Abdominal CT reaching into the chest; this slice is in the chest — axial view — 512x512 px — 40-year-old male patient
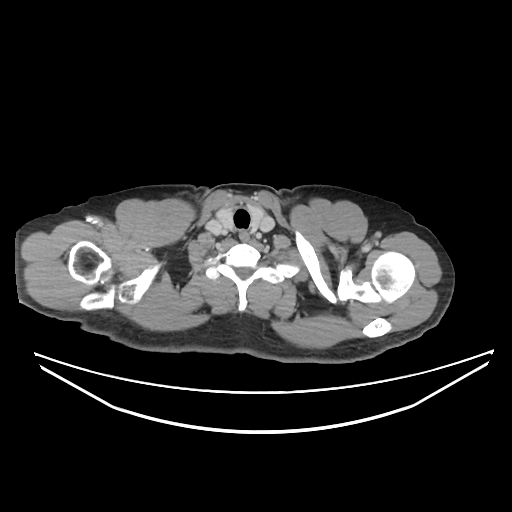
On a slice this high in the chest, this dataset labels only the esophagus and the aorta, and each is boxed only where it is labeled; the heart, lungs and other chest structures are not labeled.
Bounding boxes in pixels, one row per box: x1, y1 is the top-left corner and x2, y2 the bottom-right.
| organ | x1 | y1 | x2 | y2 |
|---|---|---|---|---|
| esophagus | 239 | 230 | 249 | 241 |